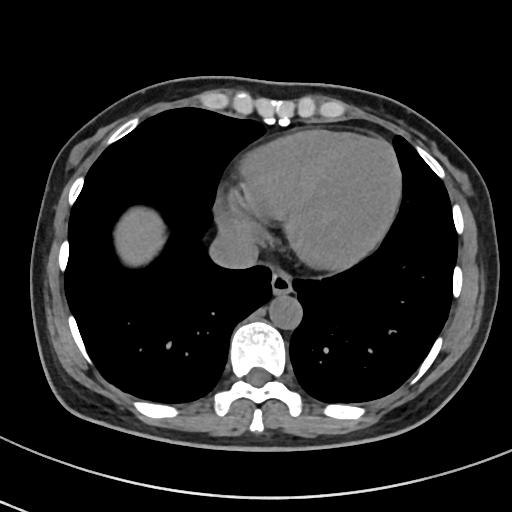 CT abdomen; axial plane, index 209; soft-tissue window (W 400 / L 40); 512x512 px
<organs><organ name="esophagus" x1="270" y1="269" x2="292" y2="295"/><organ name="liver" x1="114" y1="207" x2="164" y2="265"/><organ name="aorta" x1="269" y1="295" x2="302" y2="329"/><organ name="inferior vena cava" x1="209" y1="230" x2="258" y2="268"/></organs>